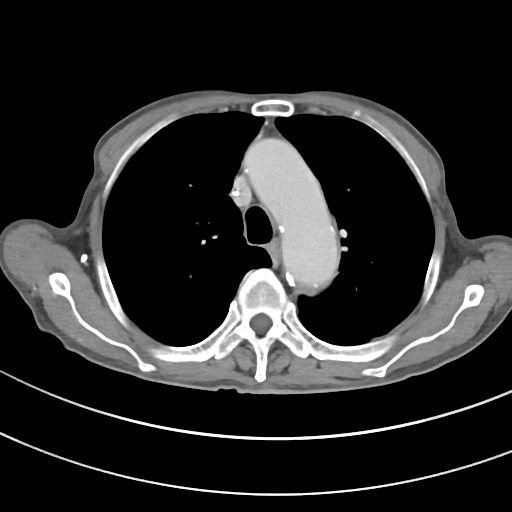 CT of the abdomen extending into the chest, slice through the chest · axial view · 512x512 px
On a slice this high in the chest, this dataset labels only the esophagus and the aorta, and each is boxed only where it is labeled; the heart, lungs and other chest structures are not labeled.
<organs><organ name="esophagus" x1="269" y1="240" x2="278" y2="265"/><organ name="aorta" x1="243" y1="138" x2="338" y2="288"/></organs>